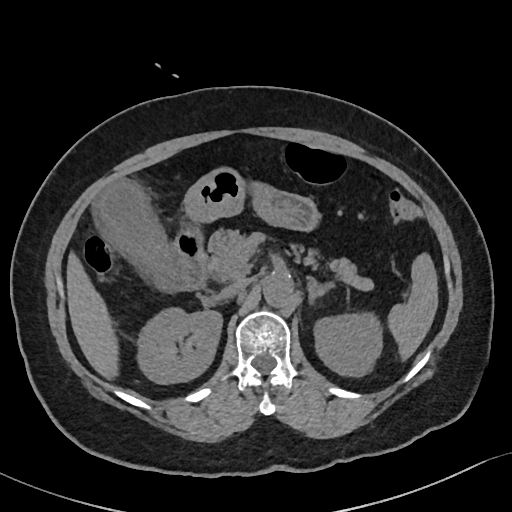
Abdominal CT. axial plane, index 138. soft-tissue window (W 400 / L 40)
Coordinates as <box>x1,y1,x2,y2</box> in pixels. The annotated organs in this slice are: spleen at <box>388,253,438,360</box>, right kidney at <box>136,307,221,384</box>, left kidney at <box>314,312,382,376</box>, gall bladder at <box>94,180,181,292</box>, liver at <box>66,253,118,378</box>, stomach at <box>184,166,320,230</box>, aorta at <box>263,274,293,306</box>, inferior vena cava at <box>220,278,248,297</box>, pancreas at <box>204,228,373,290</box>, left adrenal gland at <box>308,279,330,303</box>, duodenum at <box>174,226,206,290</box>.